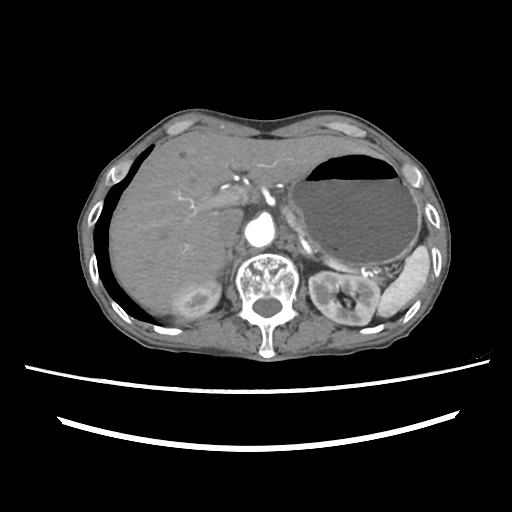

CT, abdomen/pelvis — axial view — 512x512 px — scan has 15 labeled organs (a whole-scan count: organs this slice does not pass through have no box)
Each box given as x1,y1,x2,y2.
Organ bounding boxes:
- aorta: x1=245, y1=218, x2=274, y2=247
- inferior vena cava: x1=217, y1=211, x2=242, y2=247
- left kidney: x1=308, y1=271, x2=379, y2=325
- pancreas: x1=282, y1=207, x2=352, y2=272
- right kidney: x1=171, y1=279, x2=220, y2=318
- right adrenal gland: x1=218, y1=250, x2=232, y2=280
- left adrenal gland: x1=297, y1=245, x2=308, y2=258
- stomach: x1=287, y1=151, x2=421, y2=266
- spleen: x1=377, y1=245, x2=430, y2=317
- liver: x1=109, y1=130, x2=370, y2=314